CT abdomen · axial view · abdomen soft-tissue window
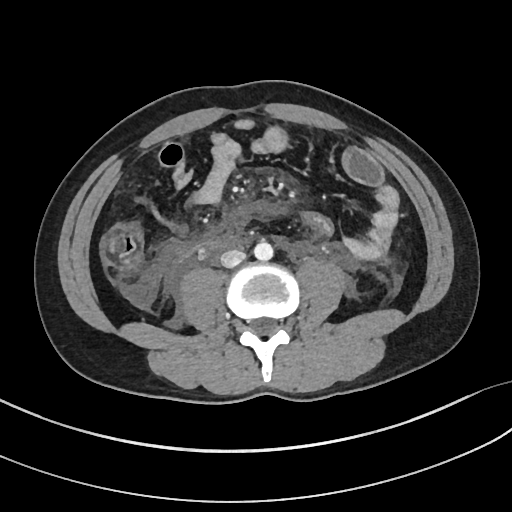

<organs><organ name="aorta" x1="254" y1="241" x2="274" y2="261"/><organ name="inferior vena cava" x1="220" y1="249" x2="246" y2="267"/></organs>